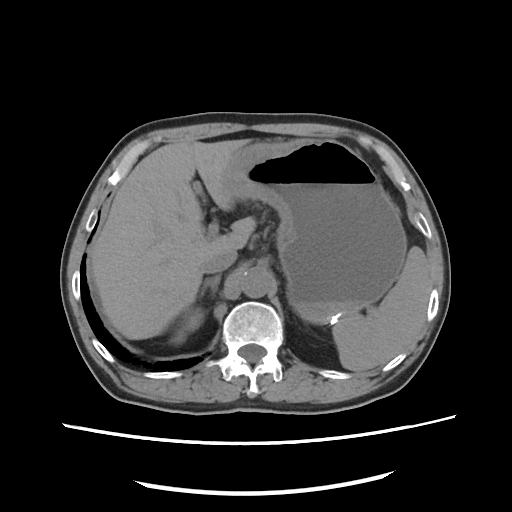
CT abdomen · axial view · 68-year-old male patient · acquired on Aquilion ONE
Each box given as x1,y1,x2,y2.
Organ bounding boxes:
- spleen: x1=332, y1=246, x2=430, y2=371
- right kidney: x1=173, y1=310, x2=203, y2=344
- liver: x1=90, y1=139, x2=255, y2=339
- stomach: x1=222, y1=139, x2=406, y2=323
- aorta: x1=240, y1=267, x2=272, y2=298
- inferior vena cava: x1=202, y1=248, x2=237, y2=273
- right adrenal gland: x1=200, y1=275, x2=220, y2=295